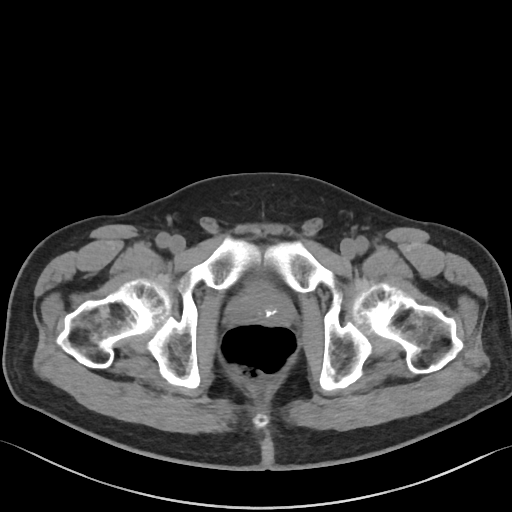 Computed tomography, abdomen · axial view · 15 organs annotated in this scan (counted over the whole 3D scan, not this slice; an organ is boxed only where this slice passes through it)
{"organs":{"prostate/uterus":[228,287,293,326]}}